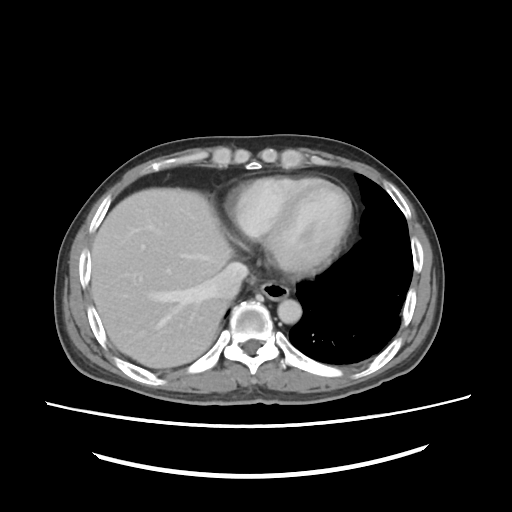

Computed tomography, abdomen · axial view · abdomen soft-tissue window · Aquilion ONE scanner
<organs><organ name="esophagus" x1="257" y1="282" x2="290" y2="300"/><organ name="aorta" x1="278" y1="299" x2="302" y2="323"/><organ name="liver" x1="92" y1="188" x2="231" y2="367"/><organ name="inferior vena cava" x1="209" y1="261" x2="248" y2="298"/></organs>